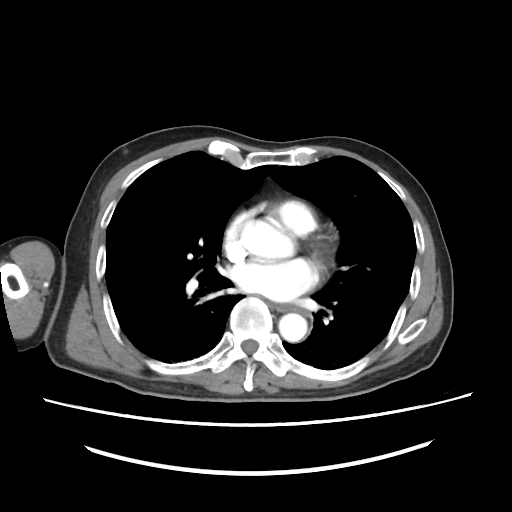 Chest-level slice from an abdominal CT that extends up into the chest; axial view; soft-tissue window, W/L 400/40; 61-year-old male patient
At this level of the chest no structure but the esophagus and the aorta has a label in this dataset, and those two are boxed only where they are labeled.
One row per box, in pixels: columns x1 and y1 give the top-left corner, x2 and y2 the bottom-right.
| organ | x1 | y1 | x2 | y2 |
|---|---|---|---|---|
| esophagus | 270 | 303 | 310 | 318 |
| aorta | 279 | 314 | 307 | 341 |